Abdominal CT; axial view; soft-tissue window (W 400 / L 40); 512x512 px; 15 organs annotated in this scan (that count is for the whole scan; organs this slice misses have no box)
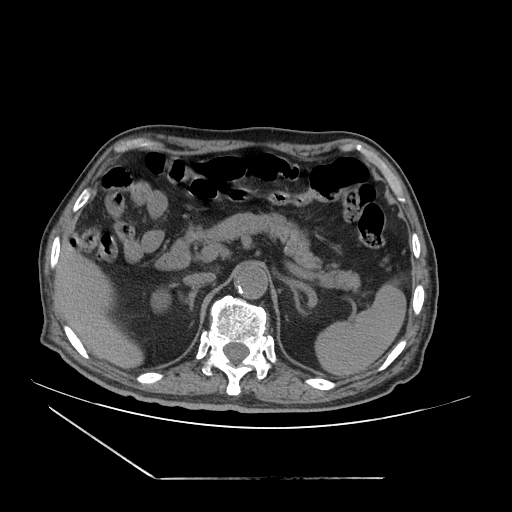 Each box given as x1,y1,x2,y2.
spleen: x1=315, y1=285, x2=406, y2=376
right kidney: x1=150, y1=289, x2=171, y2=313
liver: x1=55, y1=247, x2=143, y2=368
aorta: x1=234, y1=264, x2=267, y2=298
inferior vena cava: x1=184, y1=272, x2=215, y2=287
pancreas: x1=184, y1=212, x2=359, y2=290
right adrenal gland: x1=188, y1=288, x2=198, y2=309
left adrenal gland: x1=288, y1=283, x2=306, y2=314
duodenum: x1=155, y1=240, x2=190, y2=269